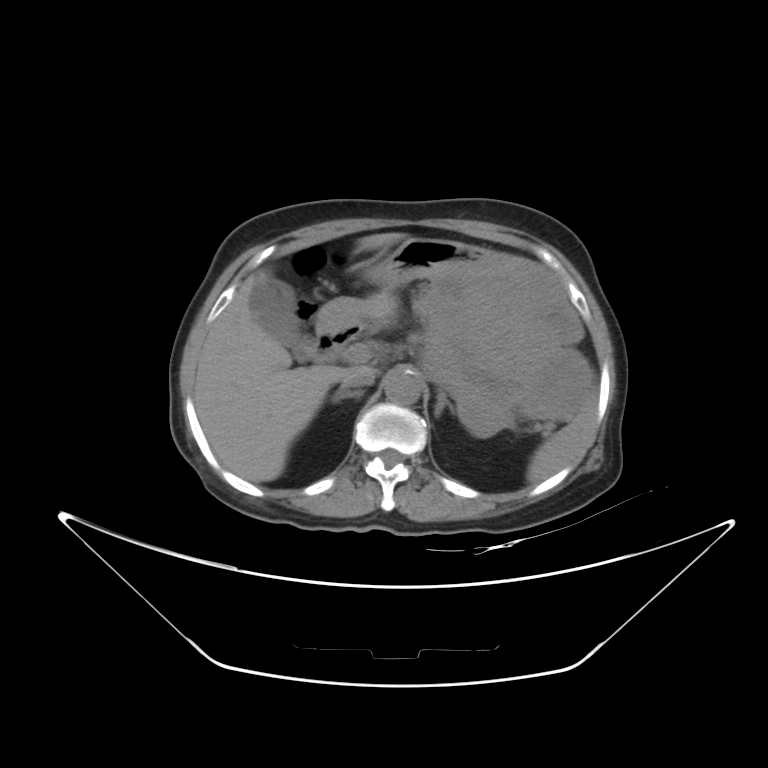

Computed tomography, abdomen. axial view. soft-tissue window (W 400 / L 40). 768x768 px. 66-year-old female patient. 15 organs annotated in this scan (counted over the whole 3D scan, not this slice; an organ is boxed only where this slice passes through it)
<organs><organ name="spleen" x1="527" y1="385" x2="599" y2="483"/><organ name="gall bladder" x1="249" y1="277" x2="315" y2="361"/><organ name="liver" x1="194" y1="232" x2="404" y2="481"/><organ name="stomach" x1="316" y1="237" x2="590" y2="435"/><organ name="aorta" x1="383" y1="369" x2="423" y2="404"/><organ name="inferior vena cava" x1="341" y1="367" x2="376" y2="386"/><organ name="right adrenal gland" x1="331" y1="388" x2="363" y2="401"/><organ name="left adrenal gland" x1="434" y1="392" x2="453" y2="417"/><organ name="duodenum" x1="314" y1="328" x2="361" y2="361"/></organs>